CT abdomen; axial view; soft-tissue window (W 400 / L 40); acquired on Aquilion ONE
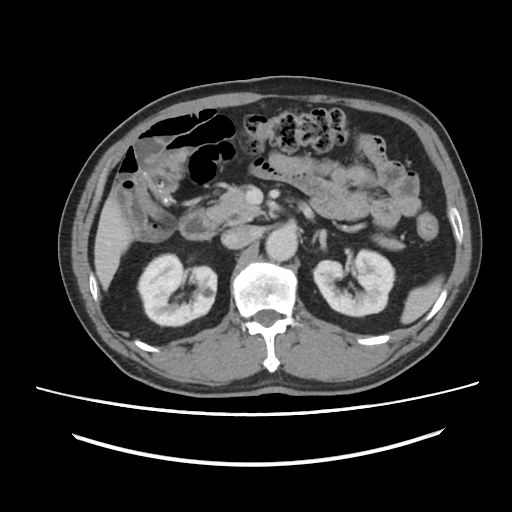 Coordinates as <box>x1,y1,x2,y2</box> in pixels.
spleen: <box>400,276,443,324</box>
right kidney: <box>138,254,216,325</box>
left kidney: <box>313,250,394,316</box>
liver: <box>94,197,132,290</box>
aorta: <box>266,228,297,261</box>
inferior vena cava: <box>221,225,254,248</box>
pancreas: <box>206,187,403,250</box>
left adrenal gland: <box>312,232,318,242</box>
duodenum: <box>179,210,217,239</box>